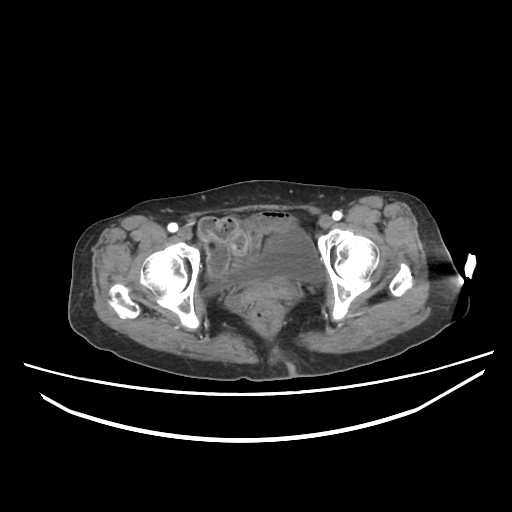

CT, abdomen/pelvis — axial view — 63-year-old female patient — Aquilion ONE scanner — 14 organs annotated in this scan (a whole-scan count: organs this slice does not pass through have no box)
Coordinates as <box>x1,y1,x2,y2</box> in pixels.
Organ bounding boxes:
- bladder: <box>203,229,320,295</box>
- prostate/uterus: <box>241,278,297,303</box>